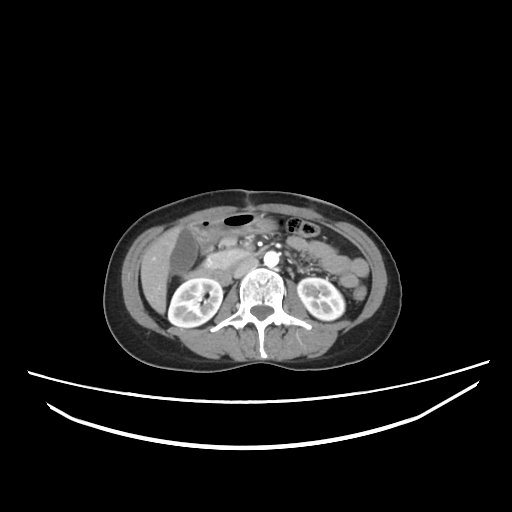
Computed tomography, abdomen — Axial slice 45/114 — abdomen soft-tissue window — acquired on Aquilion ONE
Box edges are left/top/right/bottom in pixels.
right kidney: left=168, top=278, right=222, bottom=327
left kidney: left=297, top=278, right=344, bottom=320
gall bladder: left=170, top=226, right=197, bottom=272
liver: left=140, top=226, right=182, bottom=314
stomach: left=187, top=212, right=275, bottom=243
aorta: left=263, top=251, right=279, bottom=267
inferior vena cava: left=233, top=258, right=258, bottom=277
pancreas: left=205, top=236, right=249, bottom=267
duodenum: left=183, top=242, right=260, bottom=285